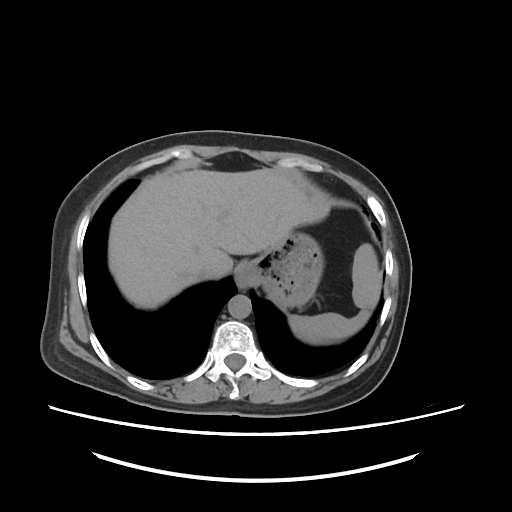

CT abdomen — Axial slice 79/85 — acquired on Aquilion ONE
Each box given as x1,y1,x2,y2.
spleen: x1=290, y1=244, x2=381, y2=344
esophagus: x1=234, y1=261, x2=253, y2=287
liver: x1=108, y1=169, x2=330, y2=309
stomach: x1=249, y1=228, x2=322, y2=309
aorta: x1=227, y1=294, x2=251, y2=319
inferior vena cava: x1=197, y1=267, x2=221, y2=280